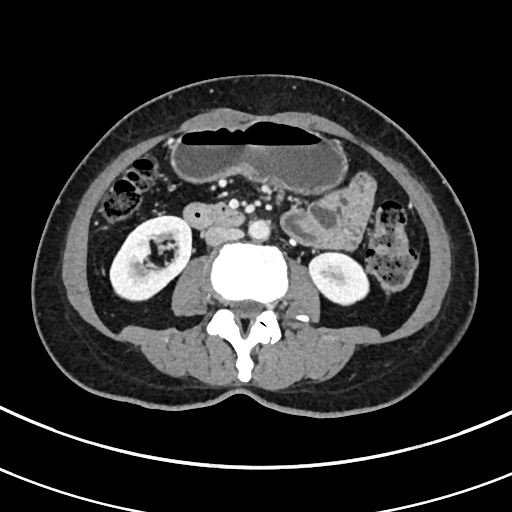
Computed tomography, abdomen; axial view; 15 organs annotated in this scan (counted over the whole 3D scan, not this slice; an organ is boxed only where this slice passes through it)
<organs><organ name="right kidney" x1="110" y1="215" x2="191" y2="300"/><organ name="left kidney" x1="308" y1="252" x2="369" y2="305"/><organ name="stomach" x1="172" y1="119" x2="343" y2="194"/><organ name="aorta" x1="248" y1="219" x2="269" y2="240"/><organ name="inferior vena cava" x1="205" y1="225" x2="243" y2="246"/><organ name="duodenum" x1="184" y1="203" x2="242" y2="228"/></organs>